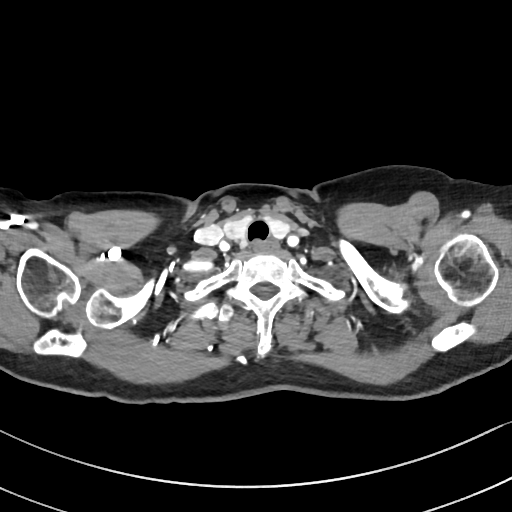
Chest-level slice from an abdominal CT that extends up into the chest — axial view — W/L 400/40 HU — SOMATOM Force scanner
At this level of the chest this dataset labels only the esophagus and the aorta, and each is boxed only where it is labeled; the heart and lungs are never labeled. Each box given as x1,y1,x2,y2. Labeled organs on this slice: esophagus at x1=250, y1=240, x2=276, y2=253.